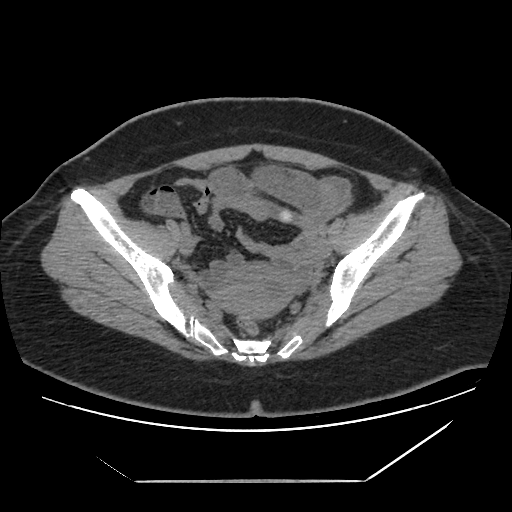 Computed tomography, abdomen · axial view · W/L 400/40 HU
One row per box, in pixels: columns x1 and y1 give the top-left corner, x2 and y2 the bottom-right.
| organ | x1 | y1 | x2 | y2 |
|---|---|---|---|---|
| prostate/uterus | 214 | 267 | 297 | 316 |